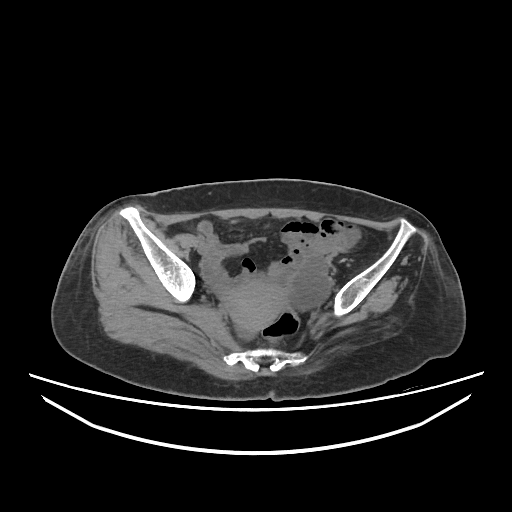
Abdominal CT · axial view
Boxes are (x1, y1, x2, y2) in pixels.
Organ bounding boxes:
- prostate/uterus: (225, 279, 286, 330)